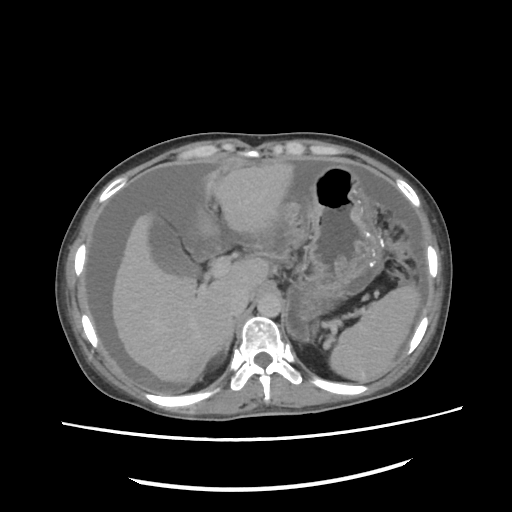 CT, abdomen/pelvis · axial view · abdomen soft-tissue window · 39-year-old female patient
<organs><organ name="inferior vena cava" x1="228" y1="294" x2="248" y2="315"/><organ name="stomach" x1="285" y1="167" x2="380" y2="339"/><organ name="liver" x1="110" y1="163" x2="295" y2="384"/><organ name="right adrenal gland" x1="215" y1="324" x2="234" y2="354"/><organ name="aorta" x1="257" y1="292" x2="282" y2="318"/><organ name="spleen" x1="329" y1="286" x2="418" y2="381"/><organ name="gall bladder" x1="148" y1="219" x2="201" y2="275"/></organs>